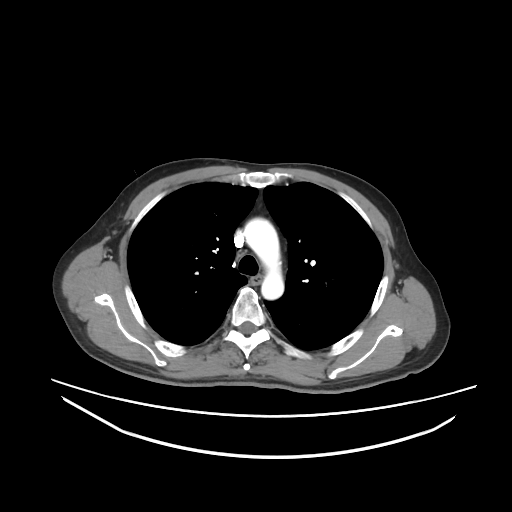 Chest-level slice from an abdominal CT that extends up into the chest — axial view — 512x512 px — 52-year-old male patient — Aquilion ONE scanner — scan has 15 labeled organs (that count is for the whole scan; organs this slice misses have no box)
On a slice this high in the chest, this dataset labels only the esophagus and the aorta, and each is boxed only where it is labeled; the heart, lungs and other chest structures are not labeled.
Boxes: x1 y1 x2 y2 (pixel coords, space-separated).
esophagus: 249 275 262 285
aorta: 244 218 284 299